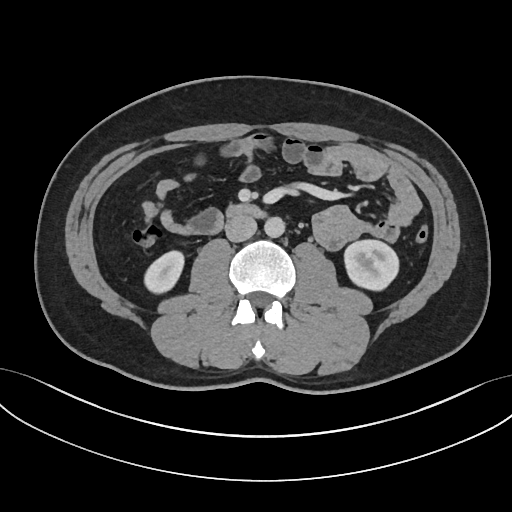
CT abdomen · axial view · soft-tissue window
Boxes: x1 y1 x2 y2 (pixel coords, space-separated).
Organ bounding boxes:
- right kidney: 144 251 184 293
- left kidney: 344 240 398 290
- aorta: 264 216 284 237
- inferior vena cava: 225 215 256 241
- duodenum: 226 204 264 218